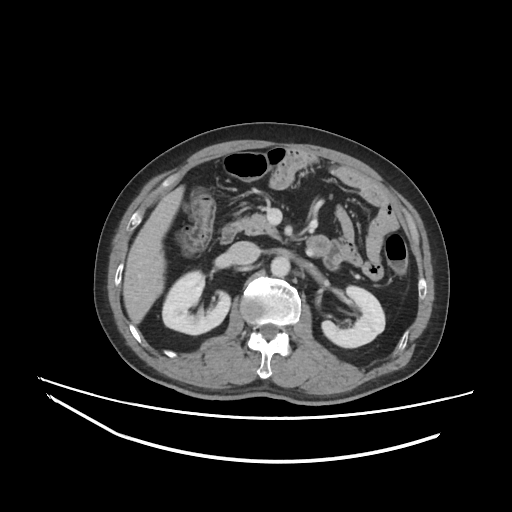 CT, abdomen/pelvis. axial view. W/L 400/40 HU
Box edges are left/top/right/bottom in pixels. Labeled organs on this slice: right kidney at left=162, top=271, right=230, bottom=334, left kidney at left=321, top=286, right=384, bottom=347, liver at left=123, top=185, right=184, bottom=323, aorta at left=270, top=256, right=290, bottom=277, inferior vena cava at left=227, top=241, right=260, bottom=264, pancreas at left=237, top=214, right=278, bottom=237, duodenum at left=220, top=223, right=238, bottom=243.